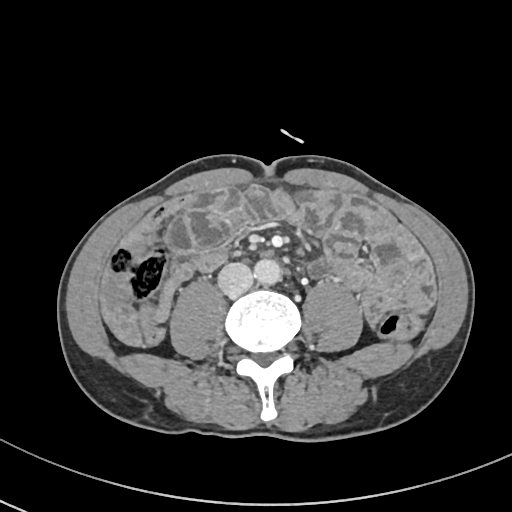
Abdominal CT; axial plane, index 113; scan has 15 labeled organs (that count is for the whole scan; organs this slice misses have no box)
<organs><organ name="aorta" x1="254" y1="259" x2="281" y2="284"/><organ name="inferior vena cava" x1="218" y1="262" x2="253" y2="295"/></organs>